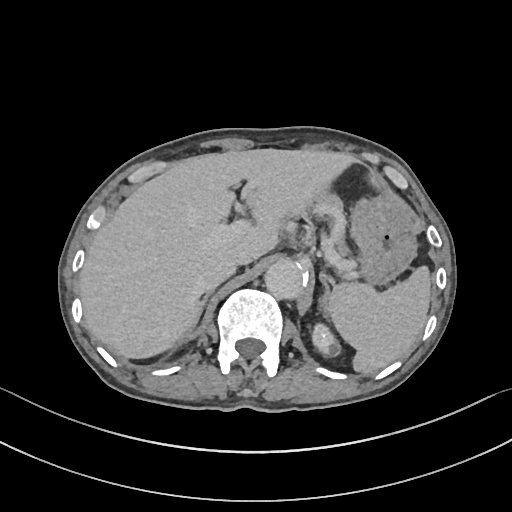
Computed tomography, abdomen. axial plane, index 164
Box edges are left/top/right/bottom in pixels. The annotated organs in this slice are: spleen at left=329, top=267, right=430, bottom=373, left kidney at left=313, top=323, right=341, bottom=356, liver at left=78, top=149, right=357, bottom=359, stomach at left=352, top=199, right=415, bottom=286, aorta at left=265, top=259, right=308, bottom=299, inferior vena cava at left=200, top=256, right=238, bottom=291, pancreas at left=311, top=194, right=343, bottom=209, right adrenal gland at left=197, top=293, right=211, bottom=321, left adrenal gland at left=320, top=272, right=329, bottom=319.